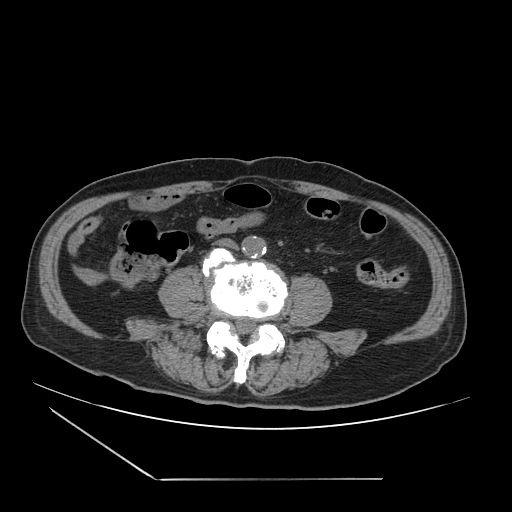

CT, abdomen/pelvis; axial view; 512x512 px; scan has 15 labeled organs (counted over the whole 3D scan, not this slice; an organ is boxed only where this slice passes through it)
Boxes: x1:y1:x2:y2 in pixels. The annotated organs in this slice are: aorta at 241:236:266:257, inferior vena cava at 214:238:237:248.